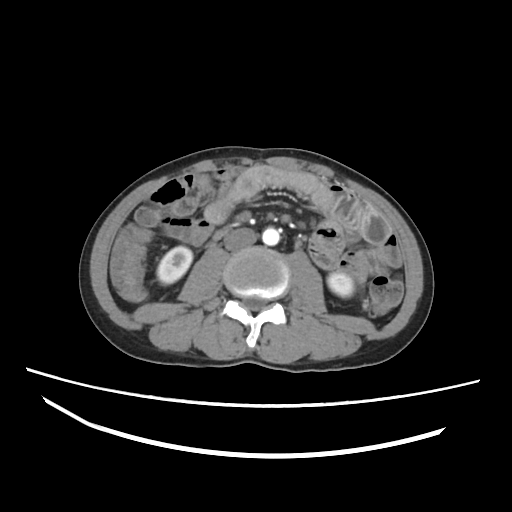
CT, abdomen/pelvis. axial view. 512x512 px. 40-year-old male patient
<organs><organ name="right kidney" x1="157" y1="246" x2="192" y2="284"/><organ name="left kidney" x1="327" y1="272" x2="353" y2="297"/><organ name="aorta" x1="262" y1="227" x2="279" y2="245"/><organ name="inferior vena cava" x1="224" y1="228" x2="257" y2="250"/></organs>